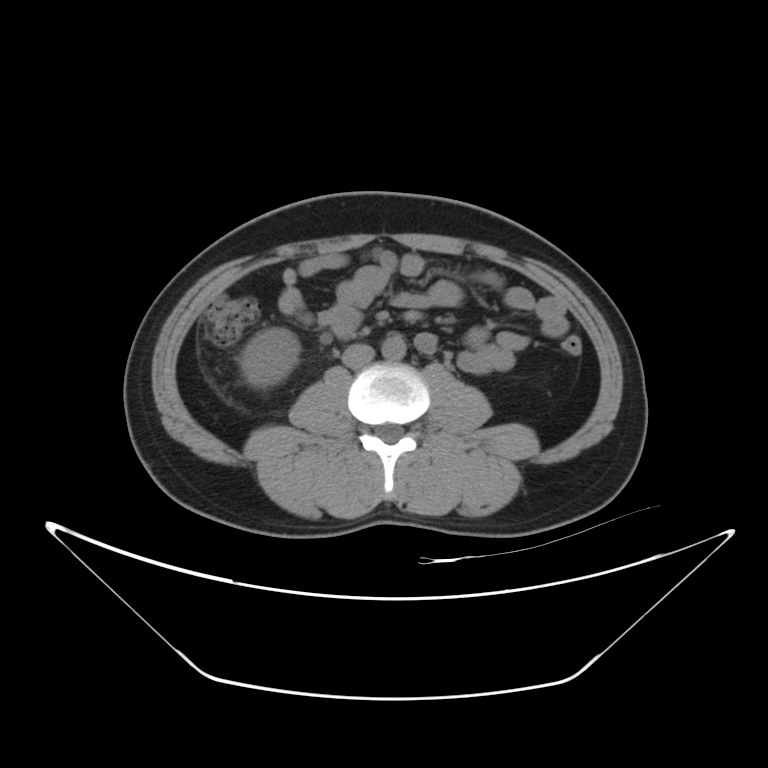 CT abdomen — axial view — 25-year-old male patient
One row per box, in pixels: columns x1 and y1 give the top-left corner, x2 and y2 the bottom-right.
| organ | x1 | y1 | x2 | y2 |
|---|---|---|---|---|
| right kidney | 240 | 328 | 298 | 388 |
| aorta | 381 | 334 | 406 | 360 |
| inferior vena cava | 342 | 343 | 375 | 368 |